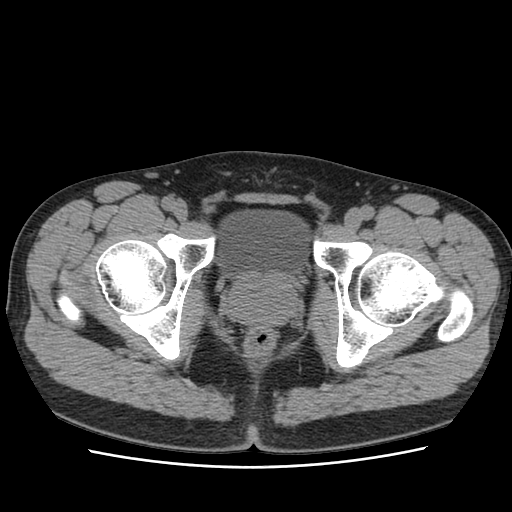 CT abdomen. axial view. acquired on SOMATOM Force
Coordinates as <box>x1,y1,x2,y2</box> in pixels.
prostate/uterus: <box>226,270,298,325</box>
bladder: <box>216,212,309,271</box>